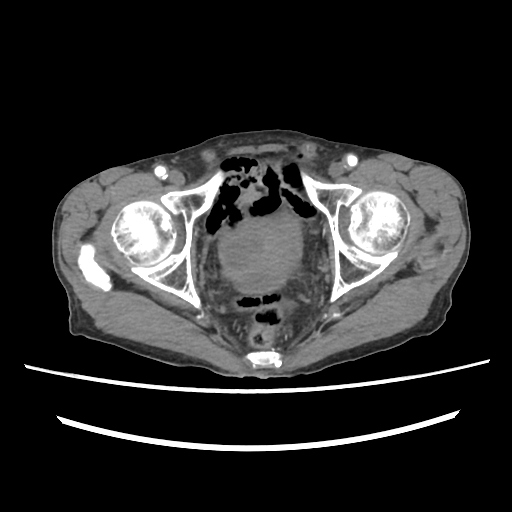

CT, abdomen/pelvis — Axial slice 15/120 — 81-year-old male patient — Aquilion ONE scanner — scan has 15 labeled organs (counted over the whole 3D scan, not this slice; an organ is boxed only where this slice passes through it)
Boxes are (x1, y1, x2, y2) in pixels. 2 labeled organs on this slice — bladder at (219, 216, 302, 290); prostate/uterus at (242, 224, 290, 270).